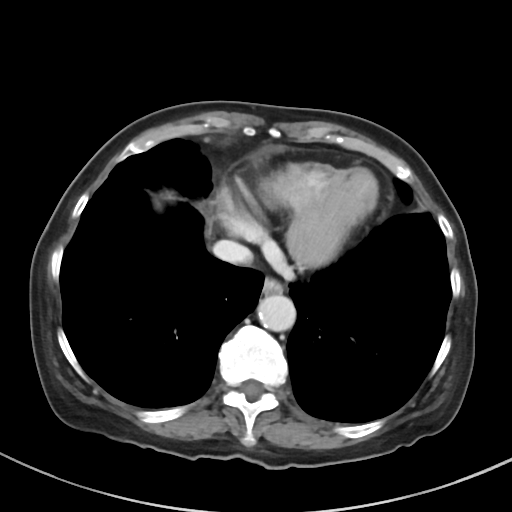

Lower-chest slice from an abdominal CT, just above the liver and spleen. axial plane, index 71. 512x512 px
The heart and lungs are never labeled in this dataset, so they have no box on this slice.
Boxes: x1 y1 x2 y2 (pixel coords, space-separated).
aorta: 257 294 296 331
esophagus: 262 278 282 295
inferior vena cava: 213 240 252 263